Computed tomography, abdomen · Axial slice 164/276 · W/L 400/40 HU
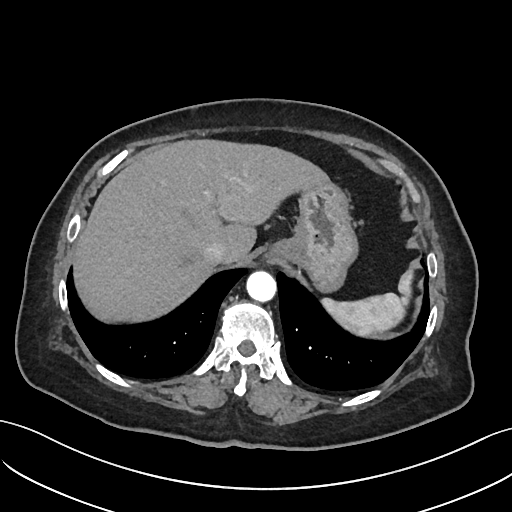

Coordinates as <box>x1,y1,x2,y2</box> in pixels. The annotated organs in this slice are: spleen at <box>323,267,413,337</box>, esophagus at <box>261,246,280,264</box>, liver at <box>74,140,329,320</box>, stomach at <box>270,183,356,289</box>, aorta at <box>247,271,276,302</box>, inferior vena cava at <box>203,242,228,265</box>.